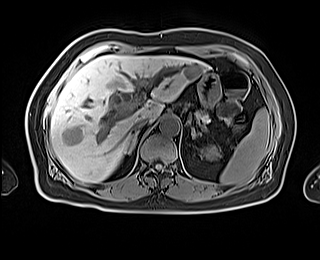
Abdominal MR — axial view — 1st–99th percentile window
{"organs":{"left kidney":[202,146,219,159],"spleen":[220,108,269,184],"inferior vena cava":[130,117,148,133],"aorta":[159,115,179,135],"right adrenal gland":[127,133,137,154],"liver":[50,55,209,182],"left adrenal gland":[192,127,195,139],"pancreas":[194,109,210,123],"stomach":[197,73,221,107]}}